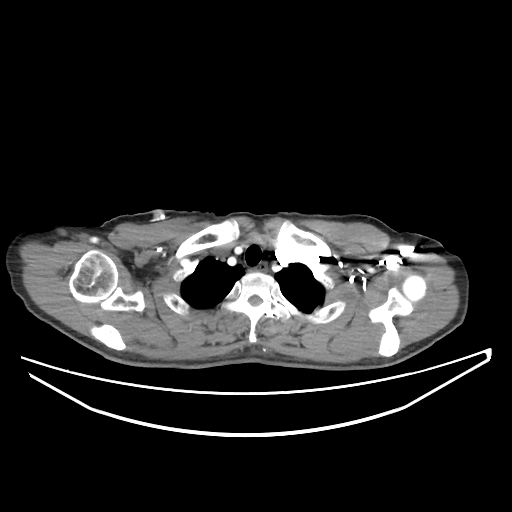 Chest-level CT slice, above the liver and spleen · axial view · 62-year-old male patient · 15 organs annotated in this scan (counted over the whole 3D scan, not this slice; an organ is boxed only where this slice passes through it)
On a slice this high in the chest, this dataset labels only the esophagus and the aorta, and each is boxed only where it is labeled; the heart, lungs and other chest structures are not labeled.
{"organs":{"esophagus":[248,265,266,271]}}